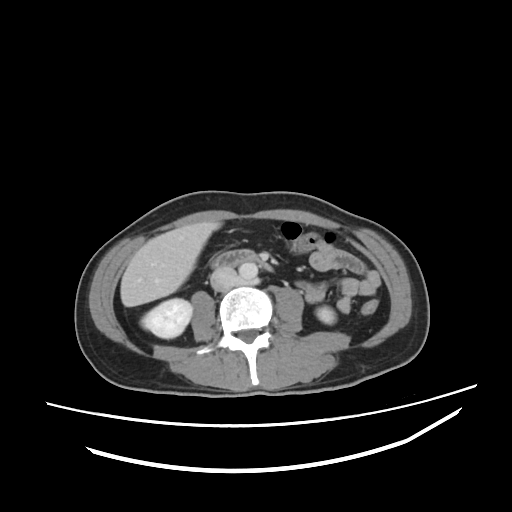 Abdominal CT · axial view · soft-tissue window (W 400 / L 40) · 49-year-old male patient
Box edges are left/top/right/bottom in pixels.
Organ bounding boxes:
- right kidney: left=141, top=298, right=192, bottom=338
- left kidney: left=316, top=306, right=335, bottom=323
- liver: left=120, top=221, right=221, bottom=306
- aorta: left=239, top=262, right=257, bottom=279
- inferior vena cava: left=210, top=267, right=236, bottom=290
- duodenum: left=211, top=249, right=272, bottom=271